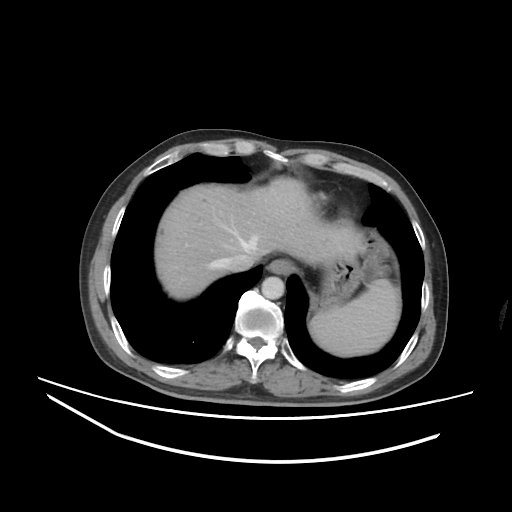

Computed tomography, abdomen. axial view. soft-tissue window (W 400 / L 40). 512x512 px. scan has 15 labeled organs (a whole-scan count: organs this slice does not pass through have no box)
Boxes: x1 y1 x2 y2 (pixel coords, space-separated).
Organ bounding boxes:
- spleen: 309 279 400 356
- esophagus: 268 259 291 274
- liver: 155 176 364 299
- stomach: 319 256 359 307
- aorta: 261 276 284 299
- inferior vena cava: 219 253 254 271